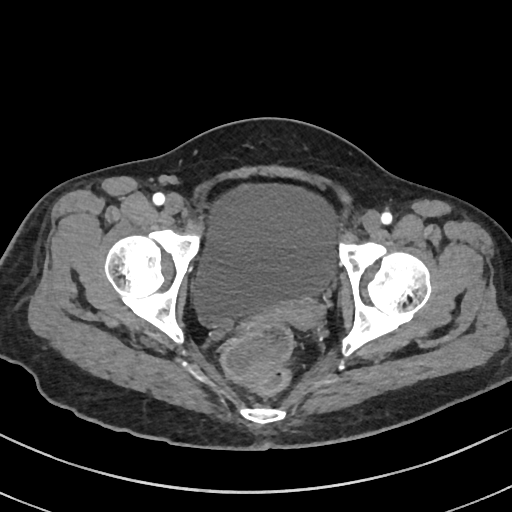
CT, abdomen/pelvis · axial view · SOMATOM Force scanner
Boxes are (x1, y1, x2, y2) in pixels.
bladder: (188, 183, 336, 317)
prostate/uterus: (278, 299, 327, 329)